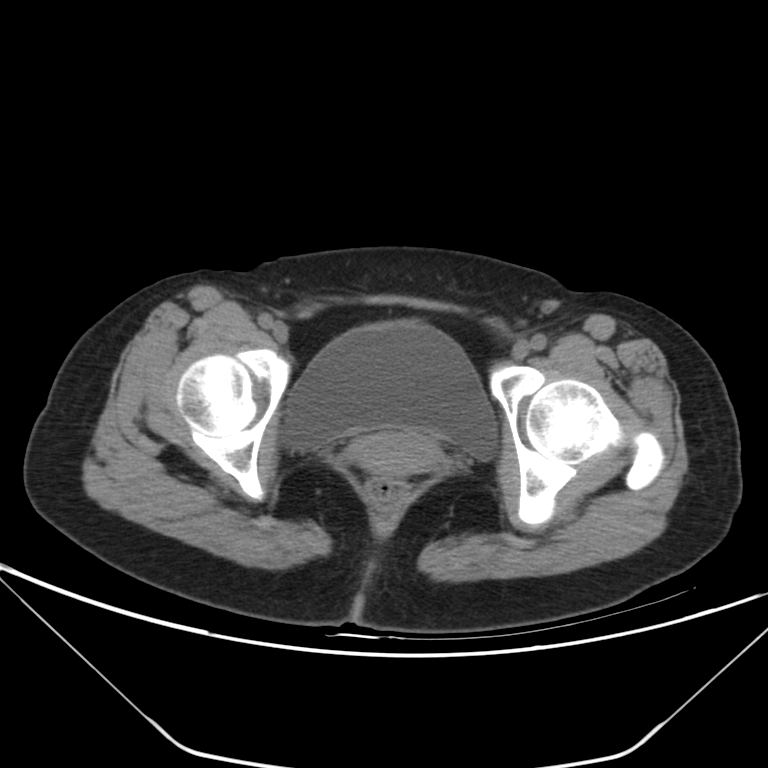
CT, abdomen/pelvis — axial view — soft-tissue window
<organs><organ name="prostate/uterus" x1="348" y1="431" x2="441" y2="476"/><organ name="bladder" x1="283" y1="321" x2="498" y2="459"/></organs>